Abdominal CT — axial view — 512x512 px — SOMATOM Force scanner
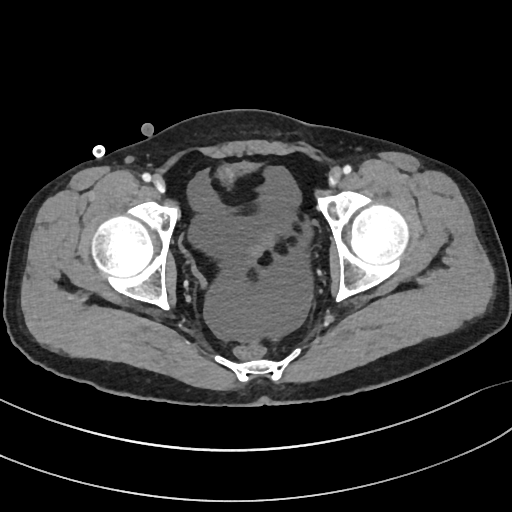

Boxes: x1:y1:x2:y2 in pixels. The annotated organs in this slice are: bladder at 219:161:254:182.